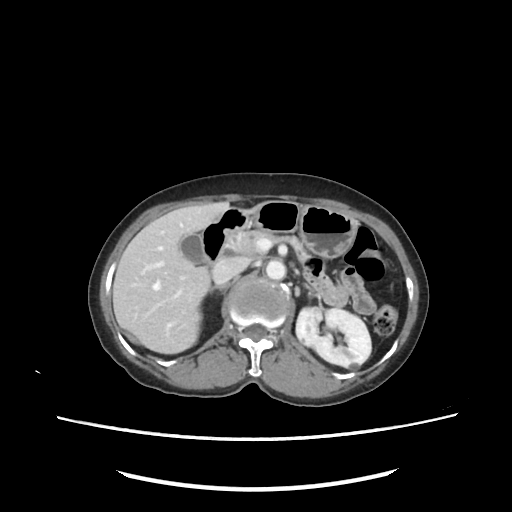 CT, abdomen/pelvis. axial plane, index 63. 512x512 px. 73-year-old female patient. Aquilion ONE scanner
Each box given as x1,y1,x2,y2.
Organ bounding boxes:
- left kidney: x1=295, y1=307, x2=371, y2=369
- gall bladder: x1=180, y1=234, x2=233, y2=264
- liver: x1=111, y1=202, x2=231, y2=352
- stomach: x1=239, y1=200, x2=357, y2=257
- aorta: x1=266, y1=261, x2=286, y2=279
- inferior vena cava: x1=212, y1=256, x2=248, y2=283
- pancreas: x1=234, y1=229, x2=311, y2=260
- right adrenal gland: x1=211, y1=284, x2=229, y2=293
- left adrenal gland: x1=305, y1=282, x2=311, y2=291
- duodenum: x1=203, y1=208, x2=246, y2=260